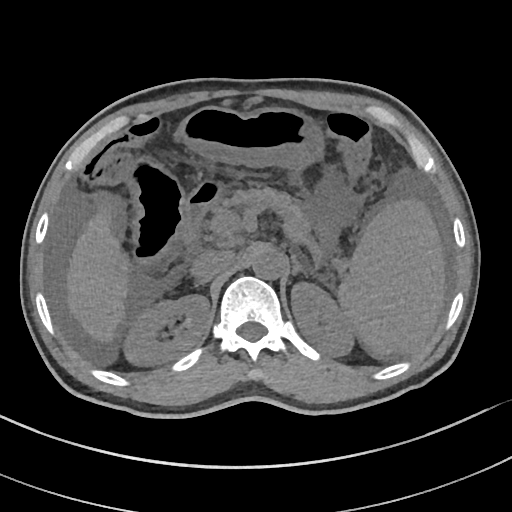

CT abdomen. axial plane, index 151. soft-tissue window (W 400 / L 40)
One row per box, in pixels: columns x1 and y1 give the top-left corner, x2 and y2 the bottom-right.
| organ | x1 | y1 | x2 | y2 |
|---|---|---|---|---|
| spleen | 337 | 199 | 444 | 357 |
| right kidney | 123 | 295 | 209 | 365 |
| left kidney | 291 | 283 | 356 | 357 |
| liver | 67 | 211 | 130 | 342 |
| stomach | 177 | 106 | 326 | 232 |
| aorta | 252 | 247 | 286 | 280 |
| inferior vena cava | 191 | 250 | 234 | 282 |
| pancreas | 214 | 187 | 312 | 244 |
| right adrenal gland | 195 | 281 | 203 | 285 |
| left adrenal gland | 292 | 257 | 318 | 277 |
| duodenum | 183 | 181 | 221 | 245 |